CT abdomen — axial plane, index 40 — 512x512 px — scan has 15 labeled organs (that count is for the whole scan; organs this slice misses have no box)
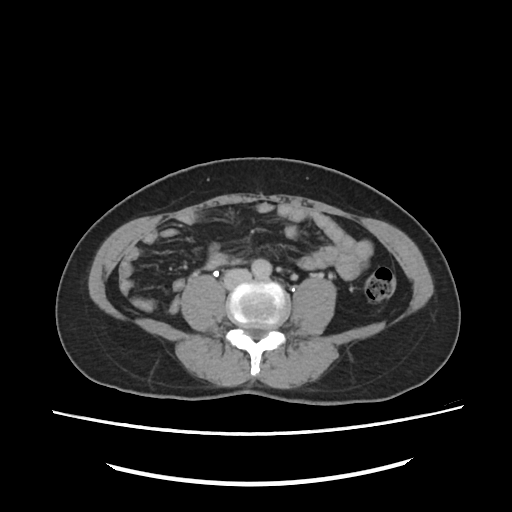
Each box given as x1,y1,x2,y2. 2 labeled organs on this slice — aorta at x1=251, y1=259, x2=271, y2=279; inferior vena cava at x1=225, y1=269, x2=250, y2=288.